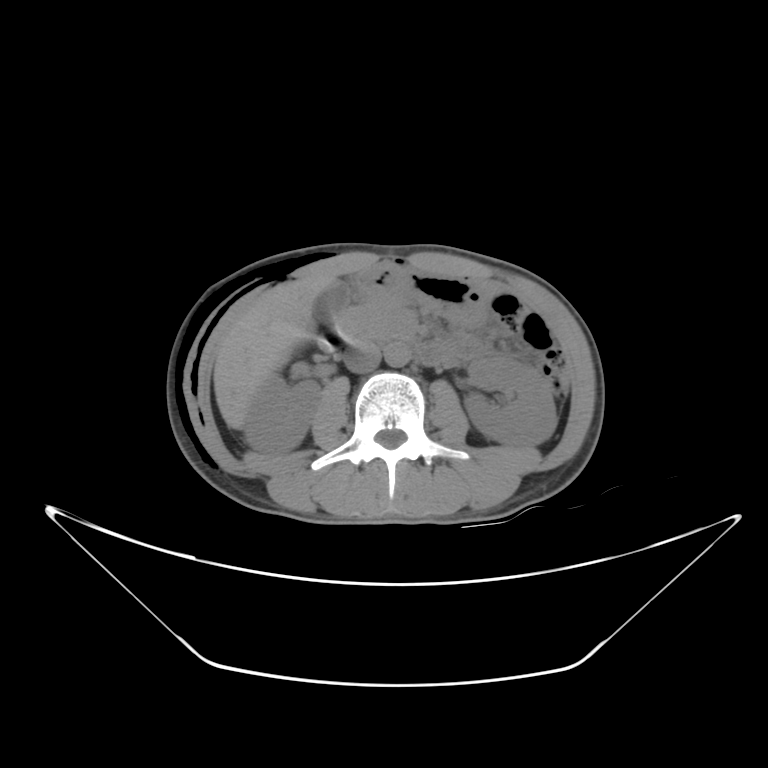 CT, abdomen/pelvis — axial view — W/L 400/40 HU — 33-year-old male patient
<organs><organ name="duodenum" x1="319" y1="332" x2="449" y2="370"/><organ name="right kidney" x1="246" y1="377" x2="321" y2="454"/><organ name="pancreas" x1="331" y1="303" x2="388" y2="343"/><organ name="left kidney" x1="463" y1="358" x2="555" y2="448"/><organ name="liver" x1="212" y1="276" x2="341" y2="432"/><organ name="gall bladder" x1="315" y1="283" x2="348" y2="326"/><organ name="inferior vena cava" x1="343" y1="345" x2="380" y2="372"/><organ name="stomach" x1="348" y1="260" x2="492" y2="322"/><organ name="aorta" x1="383" y1="343" x2="413" y2="368"/></organs>